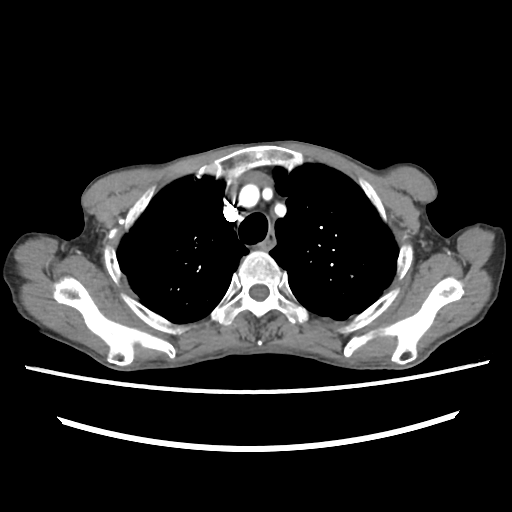
Abdominal CT reaching into the chest; this slice is in the chest · axial plane, index 109 · W/L 400/40 HU · 81-year-old male patient
At this level of the chest no structure but the esophagus and the aorta has a label in this dataset, and those two are boxed only where they are labeled.
Bounding boxes in pixels, one row per box: x1, y1 is the top-left corner and x2, y2 the bottom-right.
| organ | x1 | y1 | x2 | y2 |
|---|---|---|---|---|
| esophagus | 260 | 232 | 274 | 251 |